Lower-chest slice from an abdominal CT, just above the liver and spleen · axial view · 15 organs annotated in this scan (counted over the whole 3D scan, not this slice; an organ is boxed only where this slice passes through it)
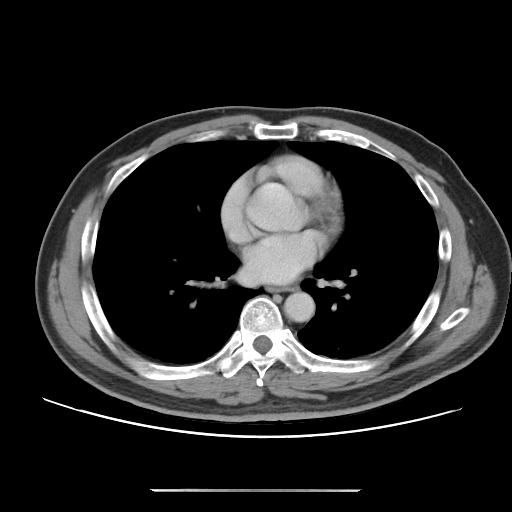

No part of the heart or lungs is labeled in this dataset, so neither has a box here.
Organ boxes in pixel coordinates; each row gives the top-left (x1, y1) and bottom-right (x2, y2) corners.
| organ | x1 | y1 | x2 | y2 |
|---|---|---|---|---|
| aorta | 284 | 292 | 315 | 322 |
| esophagus | 268 | 286 | 295 | 291 |